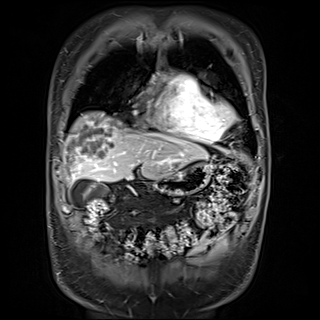
Abdominal MRI. coronal view. 320x320 px. scan has 13 labeled organs (a whole-scan count: organs this slice does not pass through have no box)
Coordinates as <box>x1,y1,x2,y2</box> in pixels. The annotated organs in this slice are: gall bladder at <box>70,178,99,205</box>, liver at <box>64,110,208,183</box>, stomach at <box>154,161,213,194</box>.